Abdominal MR. coronal plane, index 41. 320x320 px. 13 organs annotated in this scan (that count is for the whole scan; organs this slice misses have no box)
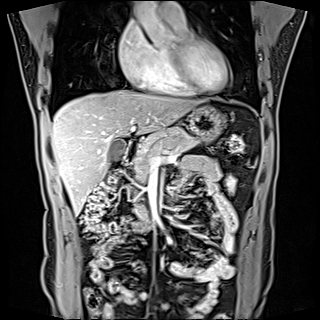
One row per box, in pixels: columns x1 and y1 give the top-left corner, x2 and y2 the bottom-right.
| organ | x1 | y1 | x2 | y2 |
|---|---|---|---|---|
| gall bladder | 109 | 139 | 125 | 161 |
| liver | 51 | 90 | 198 | 215 |
| stomach | 188 | 106 | 224 | 142 |
| pancreas | 134 | 127 | 195 | 183 |
| duodenum | 123 | 139 | 140 | 163 |